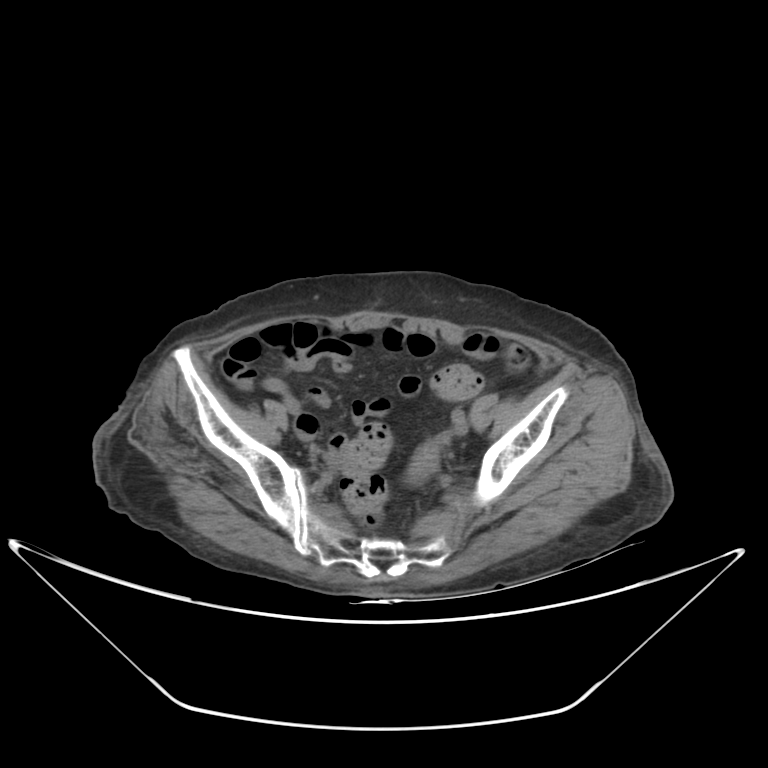 Computed tomography, abdomen; Axial slice 25/79; female patient aged 90 or older; Brilliance16 scanner
Boxes: x1:y1:x2:y2 in pixels.
prostate/uterus: 409:451:436:477